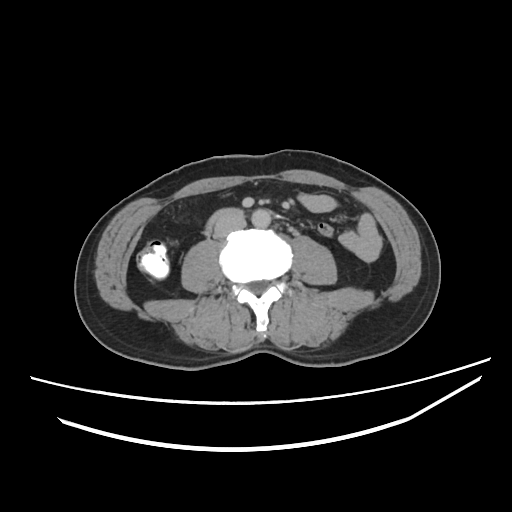

Abdominal CT. axial view. W/L 400/40 HU. 58-year-old male patient. 15 organs annotated in this scan (counted over the whole 3D scan, not this slice; an organ is boxed only where this slice passes through it)
Coordinates as <box>x1,y1,x2,y2</box> in pixels.
Organ bounding boxes:
- duodenum: <box>204,208,244,234</box>
- inferior vena cava: <box>213,212,245,238</box>
- aorta: <box>251,209,270,227</box>